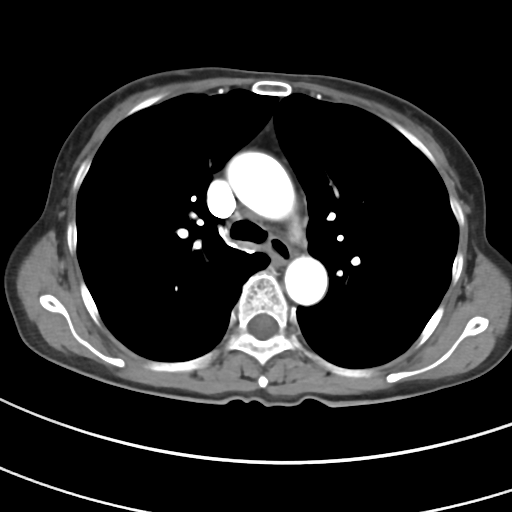 CT of the abdomen extending into the chest, slice through the chest — axial view — acquired on SOMATOM Force
On a slice this high in the chest, this dataset labels only the esophagus and the aorta, and each is boxed only where it is labeled; the heart, lungs and other chest structures are not labeled.
One row per box, in pixels: columns x1 and y1 give the top-left corner, x2 and y2 the bottom-right.
| organ | x1 | y1 | x2 | y2 |
|---|---|---|---|---|
| esophagus | 268 | 236 | 291 | 263 |
| aorta | 226 | 151 | 294 | 219 |
| aorta | 284 | 256 | 327 | 305 |